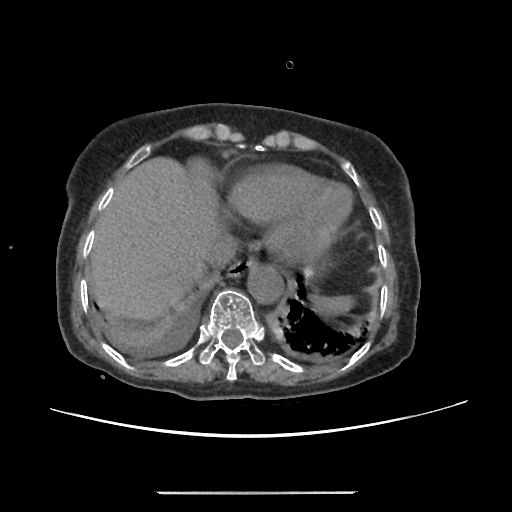 Computed tomography, abdomen; axial plane, index 306; W/L 400/40 HU; 512x512 px; SOMATOM Force scanner
{"organs":{"spleen":[311,295,354,315],"esophagus":[227,257,256,277],"liver":[89,157,223,321],"aorta":[247,264,283,303],"inferior vena cava":[205,234,236,267]}}